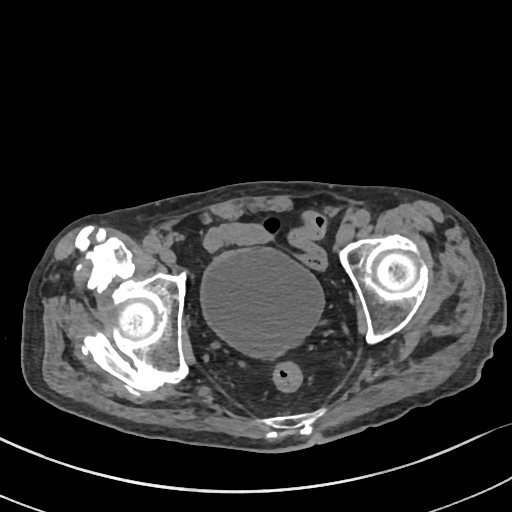
CT abdomen. axial view. soft-tissue window
Box edges are left/top/right/bottom in pixels. 1 labeled organ on this slice — bladder at left=201, top=247, right=324, bottom=358.